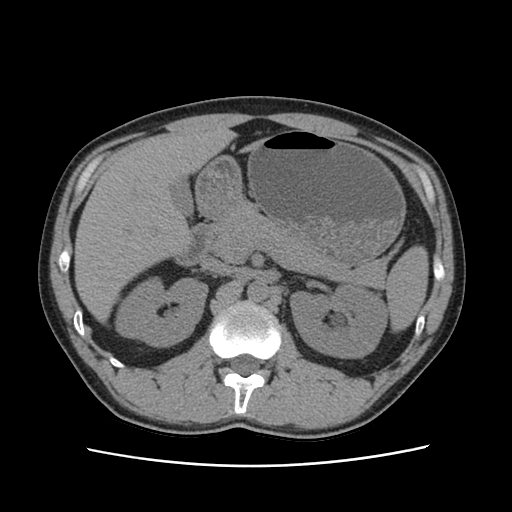 CT abdomen. axial plane, index 125. soft-tissue window. 512x512 px
Boxes are (x1, y1, x2, y2) in pixels. The annotated organs in this slice are: left kidney at (290, 287, 386, 358), liver at (74, 129, 270, 325), pancreas at (212, 202, 385, 289), inferior vena cava at (201, 258, 236, 275), stomach at (196, 130, 406, 268), aorta at (247, 280, 270, 303), right kidney at (118, 279, 207, 346), gall bladder at (172, 179, 195, 217), duodenum at (174, 222, 213, 264), spleen at (386, 247, 428, 331).